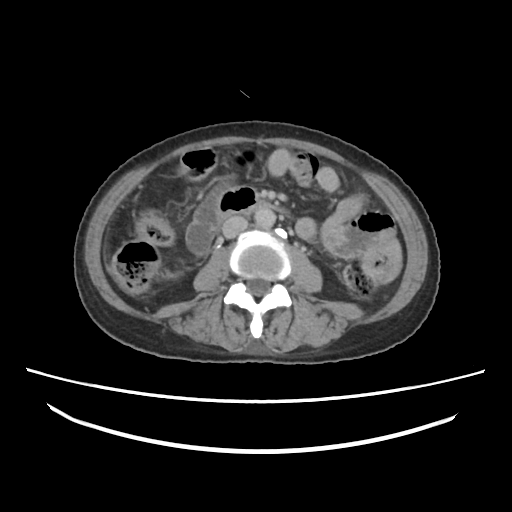 Computed tomography, abdomen · axial plane, index 49 · abdomen soft-tissue window · 71-year-old female patient
<organs><organ name="aorta" x1="255" y1="206" x2="275" y2="228"/><organ name="inferior vena cava" x1="222" y1="215" x2="248" y2="237"/><organ name="duodenum" x1="214" y1="187" x2="255" y2="220"/></organs>